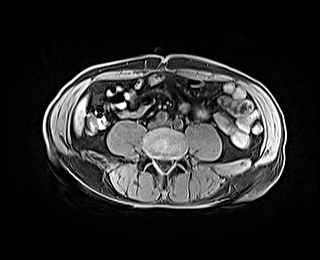
Abdominal MR · Axial slice 9/72 · percentile-normalized · 320x260 px
Bounding boxes as [x1, y1, x2, y2] in pixel coordinates.
liver: [74, 97, 86, 133]